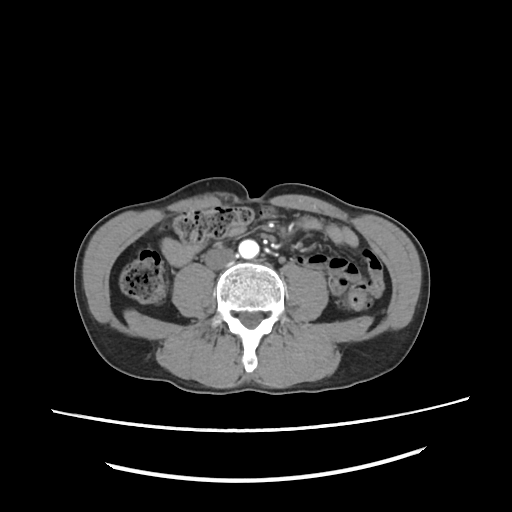

Computed tomography, abdomen · axial plane, index 51 · 512x512 px · 55-year-old male patient
Box edges are left/top/right/bottom in pixels.
Organ bounding boxes:
- aorta: left=237, top=238, right=259, bottom=258
- inferior vena cava: left=203, top=246, right=236, bottom=270